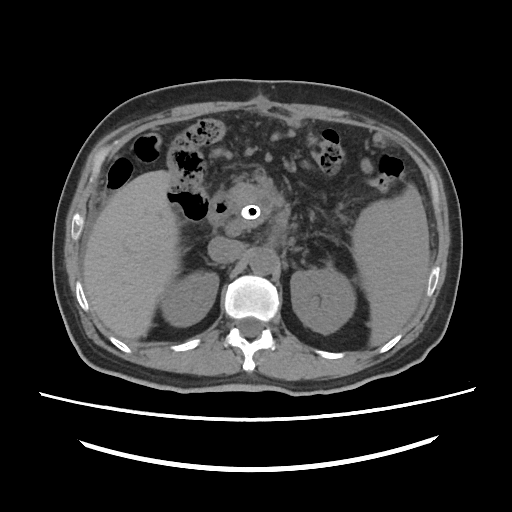
Computed tomography, abdomen. axial plane, index 64. W/L 400/40 HU. 512x512 px. 49-year-old male patient
Organ boxes in pixel coordinates; each row gives the top-left (x1, y1) and bottom-right (x2, y2) corners.
| organ | x1 | y1 | x2 | y2 |
|---|---|---|---|---|
| right kidney | 161 | 270 | 218 | 326 |
| spleen | 352 | 185 | 429 | 343 |
| liver | 83 | 170 | 179 | 339 |
| pancreas | 229 | 182 | 278 | 229 |
| inferior vena cava | 208 | 236 | 243 | 263 |
| left adrenal gland | 289 | 247 | 302 | 252 |
| duodenum | 207 | 192 | 234 | 226 |
| left kidney | 290 | 267 | 355 | 334 |
| aorta | 249 | 248 | 276 | 274 |